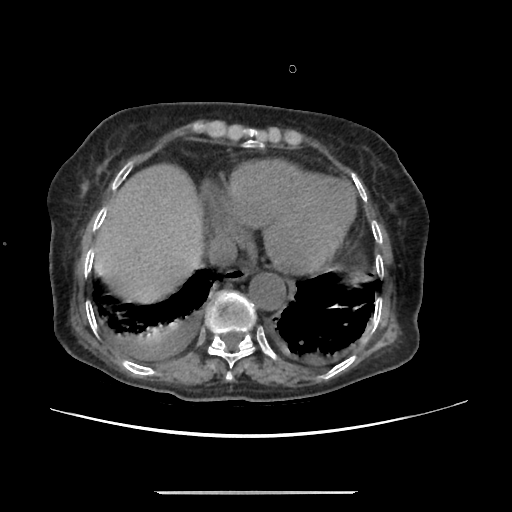 Computed tomography, abdomen. axial view. SOMATOM Force scanner
{"organs":{"esophagus":[223,267,251,281],"liver":[95,163,203,303],"aorta":[249,273,285,310],"inferior vena cava":[207,234,236,267]}}